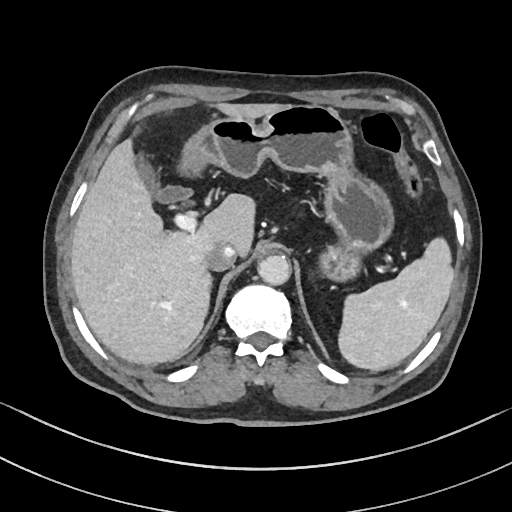 CT, abdomen/pelvis; axial view; 512x512 px; 14 organs annotated in this scan (that count is for the whole scan; organs this slice misses have no box)
Bounding boxes in pixels, one row per box: x1, y1 is the top-left corner and x2, y2 the bottom-right.
| organ | x1 | y1 | x2 | y2 |
|---|---|---|---|---|
| aorta | 258 | 254 | 291 | 285 |
| inferior vena cava | 205 | 241 | 236 | 271 |
| gall bladder | 135 | 161 | 190 | 202 |
| liver | 70 | 102 | 285 | 363 |
| stomach | 182 | 104 | 392 | 280 |
| spleen | 337 | 237 | 453 | 371 |